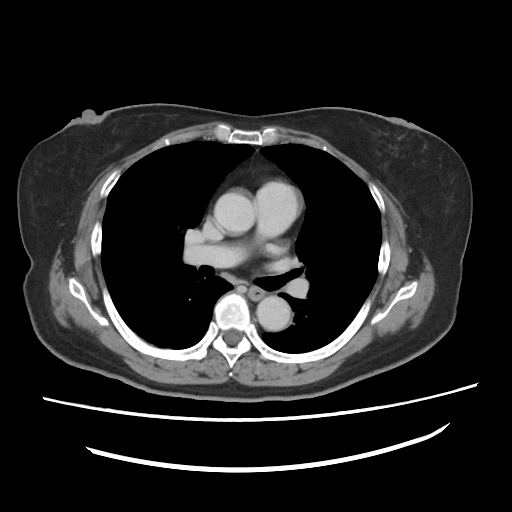

Chest-level slice from an abdominal CT that extends up into the chest · Axial slice 102/128 · soft-tissue window
At this level of the chest this dataset labels only the esophagus and the aorta, and each is boxed only where it is labeled; the heart and lungs are never labeled.
Bounding boxes as [x1, y1, x2, y2] in pixel coordinates.
Organ bounding boxes:
- esophagus: [247, 286, 265, 299]
- aorta: [215, 193, 254, 237]
- aorta: [256, 295, 291, 330]